CT abdomen · axial view · 768x768 px
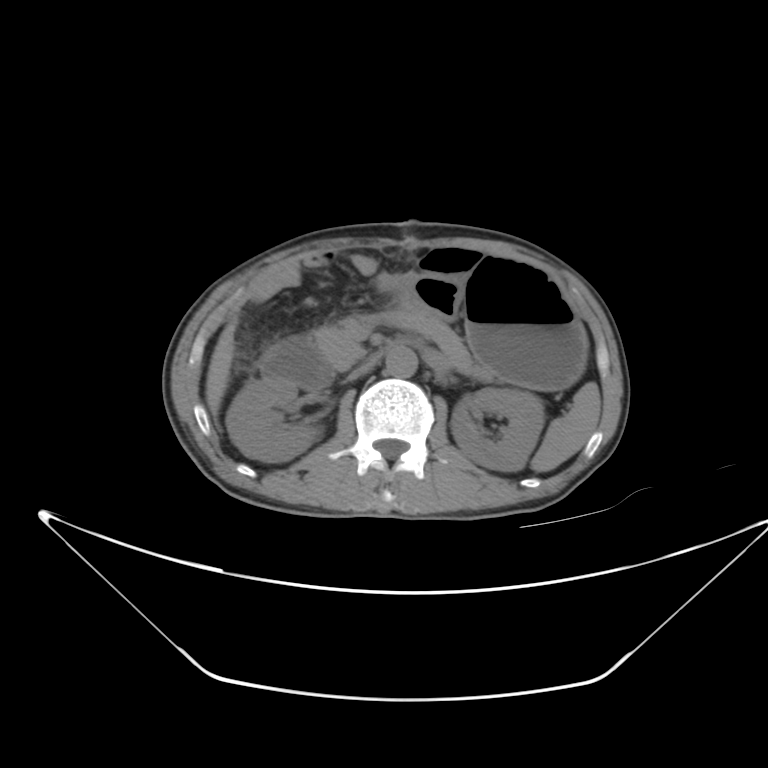
<organs><organ name="duodenum" x1="260" y1="337" x2="334" y2="392"/><organ name="pancreas" x1="317" y1="316" x2="381" y2="369"/><organ name="aorta" x1="386" y1="345" x2="417" y2="376"/><organ name="stomach" x1="406" y1="256" x2="584" y2="387"/><organ name="right kidney" x1="228" y1="378" x2="313" y2="462"/><organ name="spleen" x1="531" y1="384" x2="599" y2="471"/><organ name="liver" x1="206" y1="320" x2="234" y2="413"/><organ name="inferior vena cava" x1="348" y1="355" x2="380" y2="381"/><organ name="left kidney" x1="454" y1="386" x2="545" y2="470"/></organs>